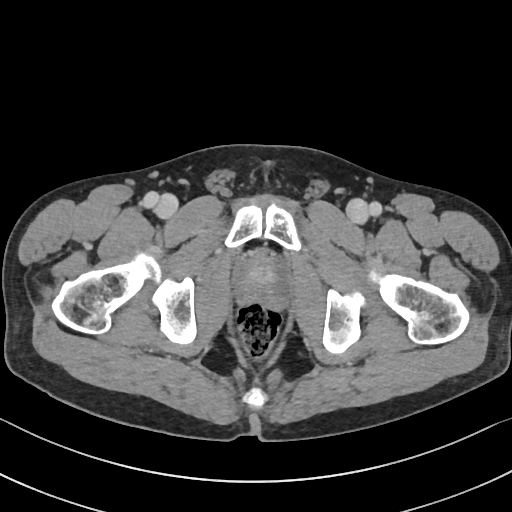
Computed tomography, abdomen. axial view
Coordinates as <box>x1,y1,x2,y2</box> in pixels. The annotated organs in this slice are: prostate/uterus at <box>233,253,291,309</box>.